Abdominal CT. axial view. acquired on SOMATOM Force
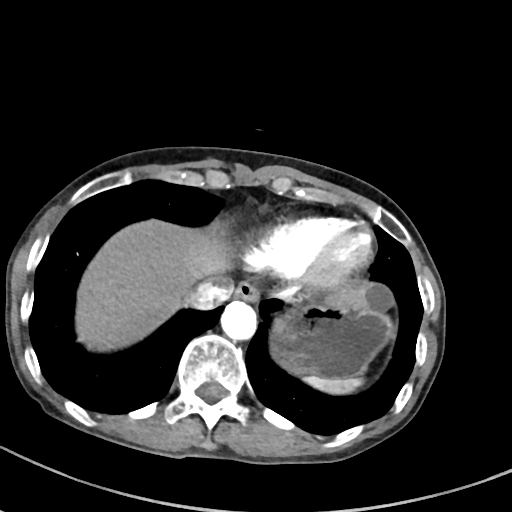
Bounding boxes in pixels, one row per box: x1, y1 is the top-left corner and x2, y2 the bottom-right.
| organ | x1 | y1 | x2 | y2 |
|---|---|---|---|---|
| spleen | 305 | 376 | 362 | 394 |
| esophagus | 234 | 281 | 259 | 301 |
| liver | 76 | 220 | 366 | 350 |
| stomach | 271 | 304 | 393 | 377 |
| aorta | 220 | 301 | 256 | 340 |
| inferior vena cava | 185 | 276 | 233 | 309 |